CT abdomen; axial view; soft-tissue window; SOMATOM Force scanner
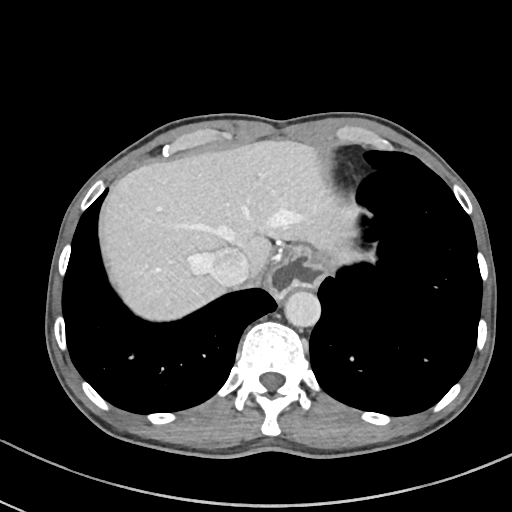 Boxes: x1:y1:x2:y2 in pixels. 4 labeled organs on this slice — liver at 103:140:359:320; stomach at 269:246:325:294; aorta at 284:291:320:327; inferior vena cava at 208:247:250:286.